Computed tomography, abdomen. axial plane, index 263. W/L 400/40 HU. SOMATOM Force scanner. 14 organs annotated in this scan (counted over the whole 3D scan, not this slice; an organ is boxed only where this slice passes through it)
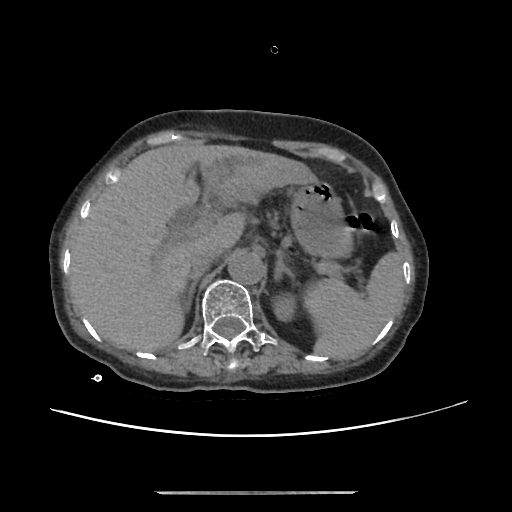 {"organs":{"stomach":[289,179,350,256],"liver":[70,141,315,351],"left kidney":[274,296,294,321],"left adrenal gland":[273,251,294,280],"aorta":[227,251,263,283],"spleen":[307,251,403,359],"inferior vena cava":[188,246,221,273],"right adrenal gland":[180,272,202,311]}}